CT abdomen. axial view. abdomen soft-tissue window
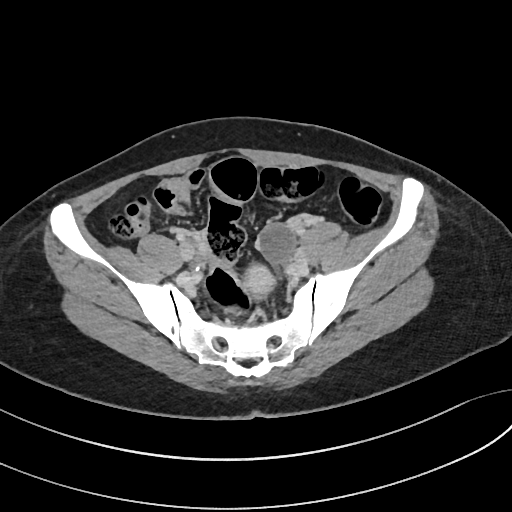

One row per box, in pixels: columns x1 and y1 give the top-left corner, x2 and y2 the bottom-right.
| organ | x1 | y1 | x2 | y2 |
|---|---|---|---|---|
| prostate/uterus | 241 | 265 | 273 | 295 |